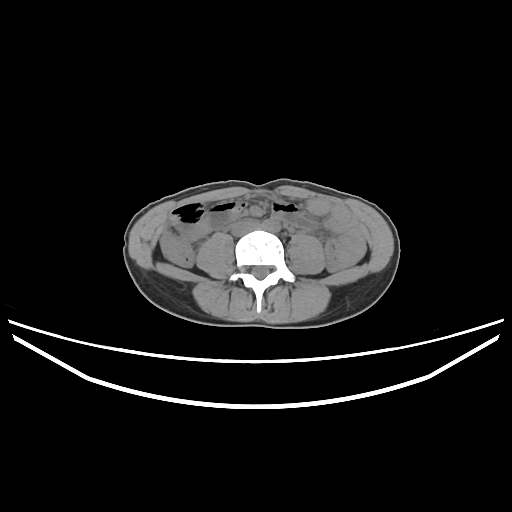 Abdominal CT; axial view; scan has 15 labeled organs (counted over the whole 3D scan, not this slice; an organ is boxed only where this slice passes through it)
{"organs":{"inferior vena cava":[231,219,260,236],"aorta":[262,219,280,232]}}